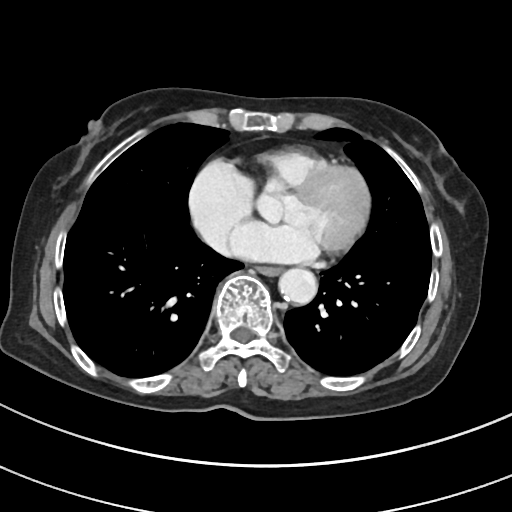 Abdominal CT; this slice is in the lower chest, just above the liver — axial view — soft-tissue window, W/L 400/40 — 15 organs annotated in this scan (a whole-scan count: organs this slice does not pass through have no box)
No part of the heart or lungs is labeled in this dataset, so neither has a box here.
<organs><organ name="esophagus" x1="257" y1="266" x2="280" y2="275"/><organ name="aorta" x1="278" y1="268" x2="317" y2="304"/></organs>